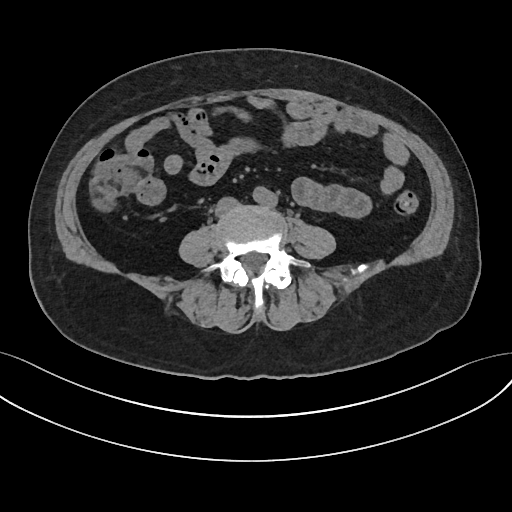
Computed tomography, abdomen. axial view. soft-tissue window (W 400 / L 40). 15 organs annotated in this scan (that count is for the whole scan; organs this slice misses have no box)
Boxes: x1 y1 x2 y2 (pixel coords, space-separated). 2 labeled organs on this slice — aorta at 252 186 277 207; inferior vena cava at 215 197 238 215.